Abdominal CT — axial plane, index 13 — soft-tissue window (W 400 / L 40) — 512x512 px — scan has 15 labeled organs (counted over the whole 3D scan, not this slice; an organ is boxed only where this slice passes through it)
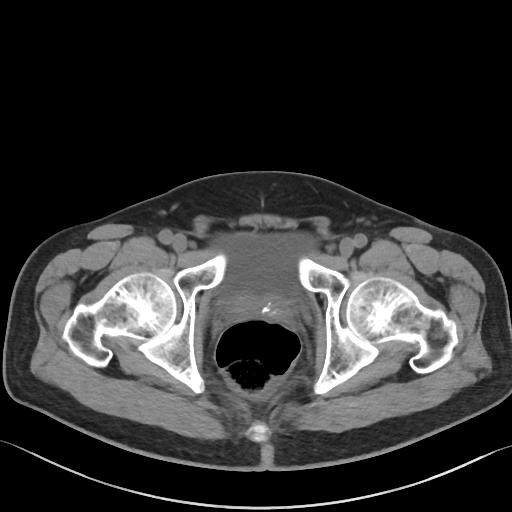
Bounding boxes in pixels, one row per box: x1, y1 is the top-left corner and x2, y2 the bottom-right.
| organ | x1 | y1 | x2 | y2 |
|---|---|---|---|---|
| prostate/uterus | 229 | 295 | 291 | 323 |
| bladder | 217 | 233 | 313 | 303 |